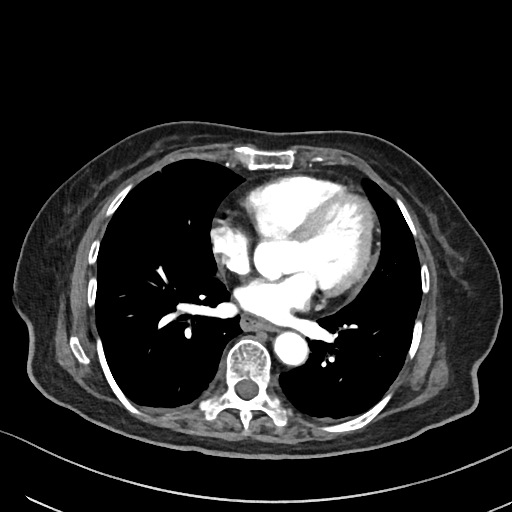
Abdominal CT; this slice is in the lower chest, just above the liver — axial view — 512x512 px
Of the structures in the chest, this dataset labels only the esophagus, the aorta and the inferior vena cava; the heart and lungs have no label. Bounding boxes as [x1, y1, x2, y2] in pixel coordinates. 2 labeled organs on this slice — aorta at [273, 330, 307, 364]; esophagus at [240, 317, 270, 329].